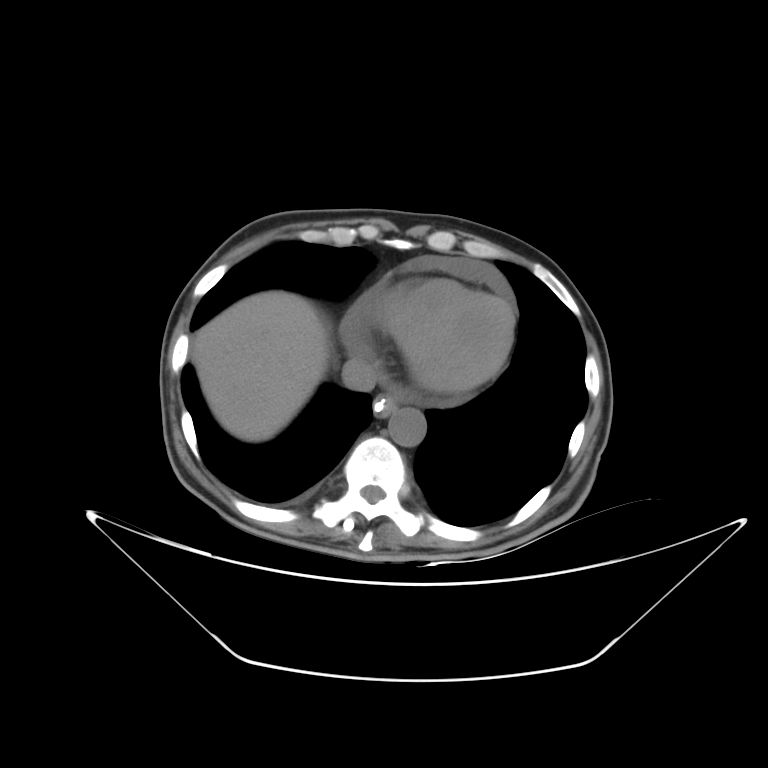

CT abdomen. axial view. 768x768 px
Boxes: x1 y1 x2 y2 (pixel coords, space-separated).
liver: 191 291 330 441
esophagus: 374 395 399 416
inferior vena cava: 341 357 377 391
aorta: 388 408 425 446